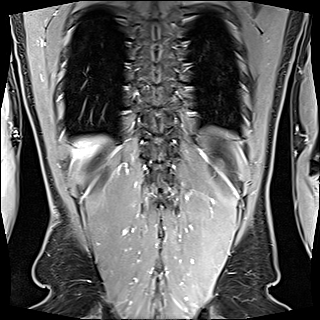
Abdominal MR — coronal view — percentile-normalized — 320x320 px — Prisma scanner
Bounding boxes in pixels, one row per box: x1, y1 is the top-left corner and x2, y2 the bottom-right.
| organ | x1 | y1 | x2 | y2 |
|---|---|---|---|---|
| liver | 73 | 137 | 101 | 157 |